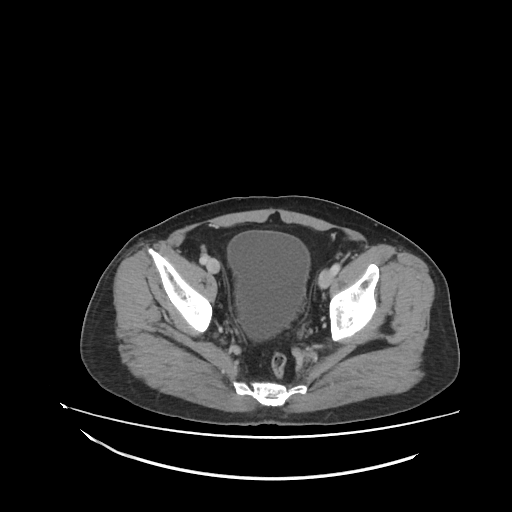 Abdominal CT. axial view. W/L 400/40 HU. 512x512 px
Organ boxes in pixel coordinates; each row gives the top-left (x1, y1) and bottom-right (x2, y2) corners.
| organ | x1 | y1 | x2 | y2 |
|---|---|---|---|---|
| bladder | 227 | 232 | 309 | 337 |